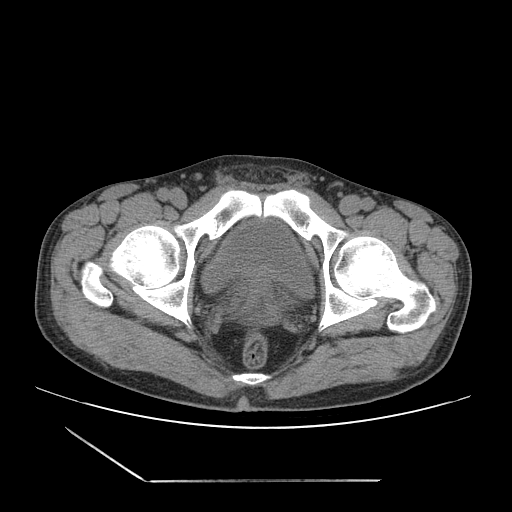 Abdominal CT; axial view; soft-tissue window (W 400 / L 40); 512x512 px
Each box given as x1,y1,x2,y2.
bladder: x1=204, y1=218, x2=313, y2=297
prostate/uterus: x1=241, y1=261, x2=273, y2=277